CT abdomen · Axial slice 75/163 · soft-tissue window
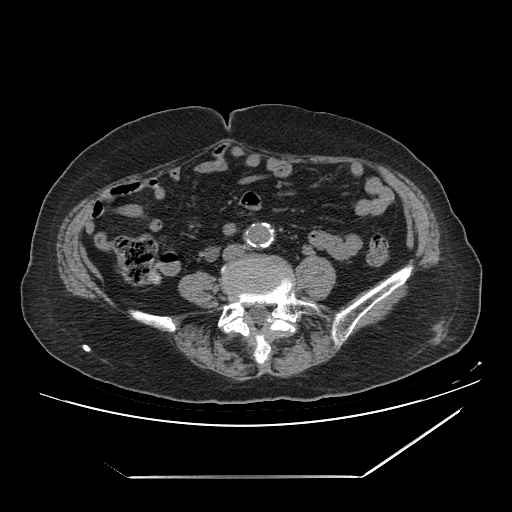

Bounding boxes as [x1, y1, x2, y2] in pixel coordinates.
Organ bounding boxes:
- aorta: [244, 223, 274, 247]